CT abdomen. axial view. soft-tissue window (W 400 / L 40). 512x512 px. scan has 15 labeled organs (a whole-scan count: organs this slice does not pass through have no box)
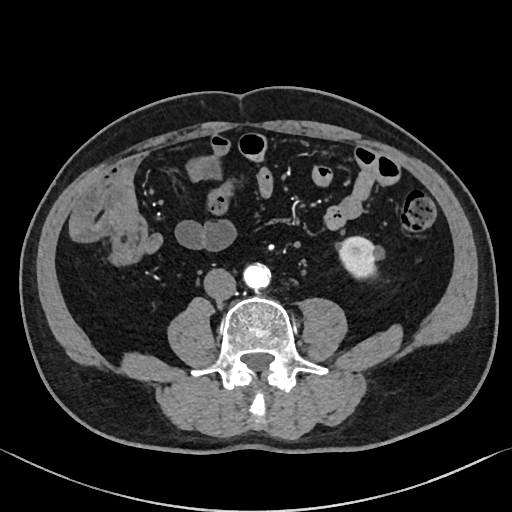 Boxes: x1:y1:x2:y2 in pixels. Labeled organs on this slice: left kidney at 339:235:375:277, aorta at 245:265:272:289, inferior vena cava at 204:269:236:300.